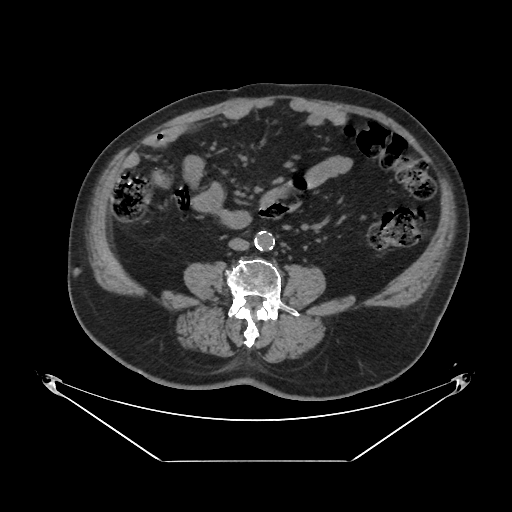

CT abdomen; Axial slice 165/353; soft-tissue window (W 400 / L 40); 512x512 px
<organs><organ name="aorta" x1="255" y1="232" x2="275" y2="251"/><organ name="inferior vena cava" x1="229" y1="238" x2="249" y2="250"/></organs>